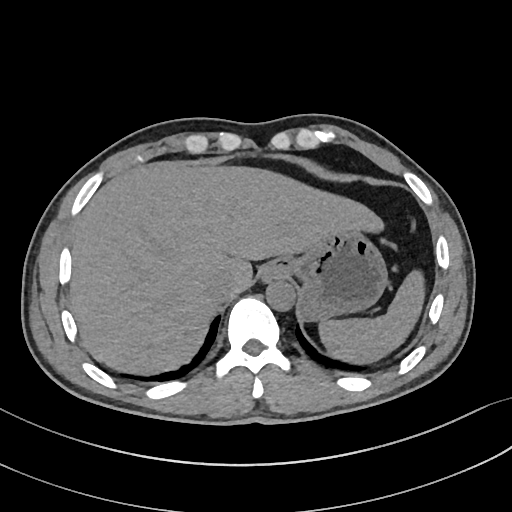 Abdominal CT; axial view; abdomen soft-tissue window; 512x512 px; 15 organs annotated in this scan (that count is for the whole scan; organs this slice misses have no box)
Boxes: x1:y1:x2:y2 in pixels.
Organ bounding boxes:
- stomach: 270:228:387:320
- inferior vena cava: 205:272:234:303
- liver: 69:161:383:374
- aorta: 266:280:295:310
- spleen: 319:270:424:363
- esophagus: 263:264:280:280